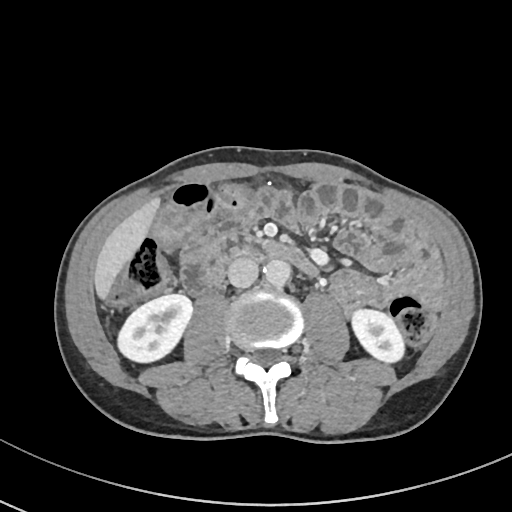
CT abdomen · axial view · 512x512 px · 15 organs annotated in this scan (that count is for the whole scan; organs this slice misses have no box)
{"organs":{"right kidney":[118,294,191,362],"left kidney":[351,309,405,361],"liver":[95,198,160,298],"aorta":[263,259,290,286],"inferior vena cava":[227,258,257,288],"duodenum":[216,234,315,274]}}